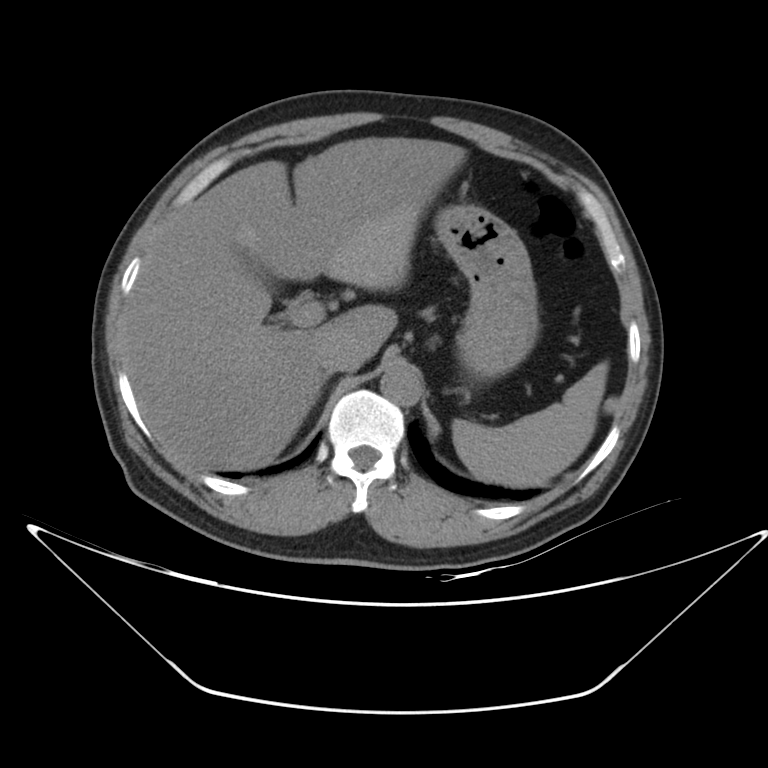

Abdominal CT — axial view — W/L 400/40 HU — Brilliance16 scanner
Box edges are left/top/right/bottom in pixels.
Organ bounding boxes:
- gall bladder: left=250, top=263, right=270, bottom=283
- spleen: left=452, top=362, right=607, bottom=487
- liver: left=122, top=136, right=465, bottom=469
- aorta: left=380, top=363, right=422, bottom=405
- stomach: left=434, top=205, right=539, bottom=375
- inferior vena cava: left=319, top=338, right=366, bottom=375